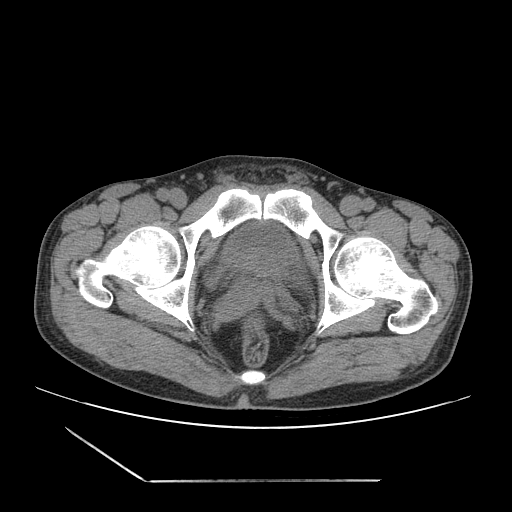

Computed tomography, abdomen; axial view; soft-tissue window; acquired on SOMATOM Force
Box edges are left/top/right/bottom in pixels.
Organ bounding boxes:
- bladder: left=204, top=218, right=312, bottom=297
- prostate/uterus: left=241, top=257, right=274, bottom=277